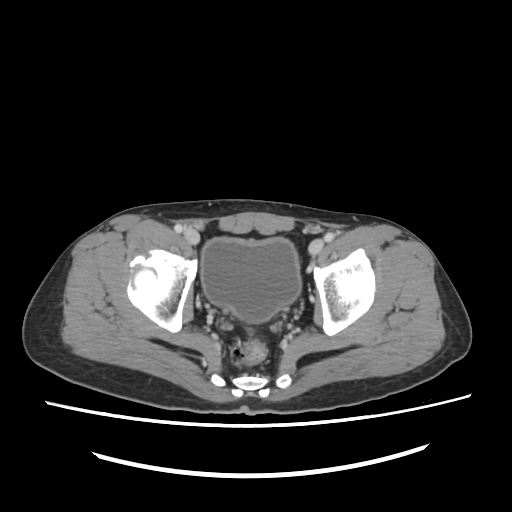

Abdominal CT. axial plane, index 20. soft-tissue window (W 400 / L 40). acquired on Aquilion ONE
<organs><organ name="bladder" x1="200" y1="236" x2="302" y2="320"/></organs>